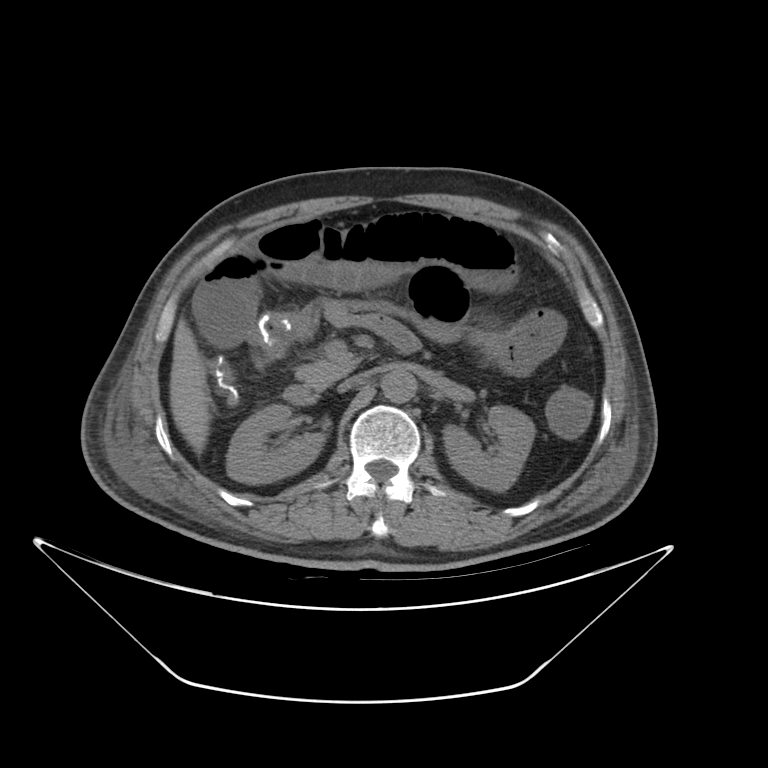
Computed tomography, abdomen — axial view — soft-tissue window (W 400 / L 40) — 768x768 px
Organ boxes in pixel coordinates; each row gives the top-left (x1, y1) and bottom-right (x2, y2) corners.
| organ | x1 | y1 | x2 | y2 |
|---|---|---|---|---|
| right kidney | 227 | 403 | 324 | 482 |
| liver | 170 | 317 | 215 | 454 |
| left kidney | 441 | 405 | 534 | 489 |
| aorta | 382 | 370 | 415 | 402 |
| pancreas | 296 | 354 | 362 | 388 |
| duodenum | 284 | 387 | 319 | 406 |
| inferior vena cava | 336 | 374 | 369 | 394 |